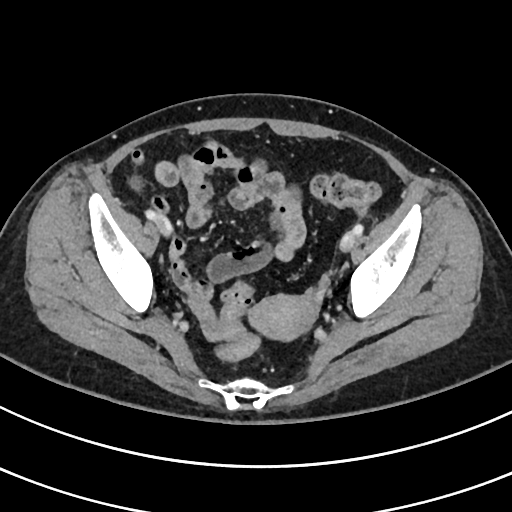 CT abdomen; axial view; 512x512 px; acquired on SOMATOM Force
Box edges are left/top/right/bottom in pixels.
prostate/uterus: left=246, top=293, right=315, bottom=342